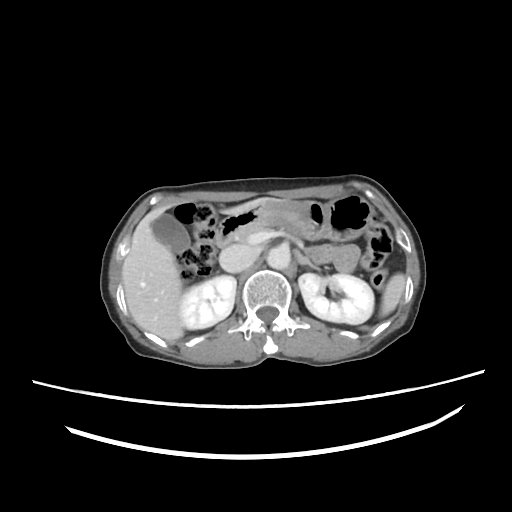 Computed tomography, abdomen · axial view
Organ boxes in pixel coordinates; each row gives the top-left (x1, y1) and bottom-right (x2, y2) corners.
| organ | x1 | y1 | x2 | y2 |
|---|---|---|---|---|
| stomach | 253 | 195 | 370 | 240 |
| left adrenal gland | 293 | 249 | 319 | 269 |
| duodenum | 217 | 210 | 254 | 244 |
| inferior vena cava | 220 | 244 | 254 | 274 |
| left kidney | 299 | 273 | 374 | 323 |
| gall bladder | 150 | 215 | 190 | 252 |
| spleen | 381 | 275 | 403 | 318 |
| aorta | 266 | 248 | 290 | 270 |
| pancreas | 234 | 224 | 277 | 244 |
| right kidney | 179 | 275 | 236 | 329 |
| liver | 120 | 198 | 284 | 341 |